CT, abdomen/pelvis — axial view — 61-year-old female patient
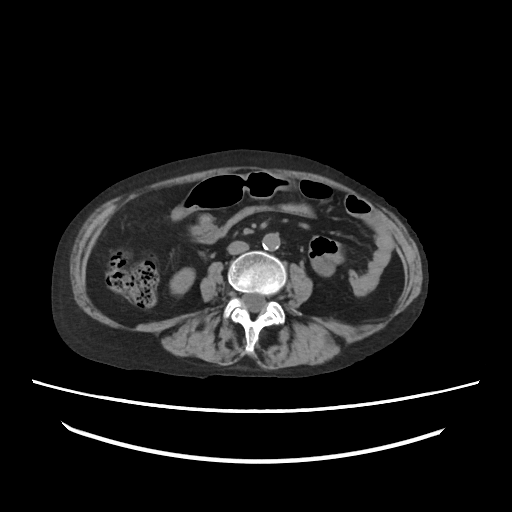
Organ boxes in pixel coordinates; each row gives the top-left (x1, y1) and bottom-right (x2, y2) corners.
| organ | x1 | y1 | x2 | y2 |
|---|---|---|---|---|
| aorta | 262 | 233 | 280 | 250 |
| right kidney | 170 | 268 | 194 | 294 |
| inferior vena cava | 227 | 241 | 249 | 254 |